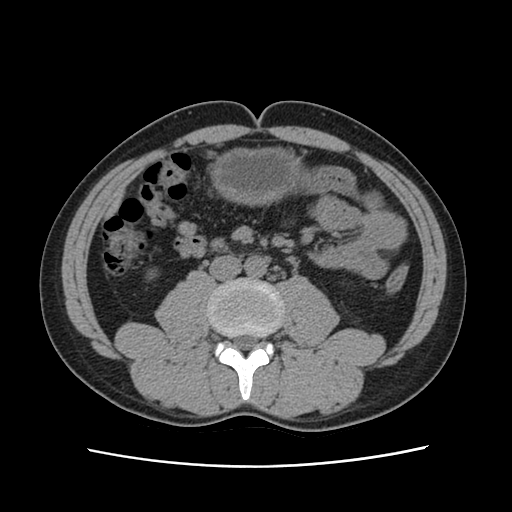
Computed tomography, abdomen. Axial slice 97/167. 512x512 px. SOMATOM Force scanner. 15 organs annotated in this scan (that count is for the whole scan; organs this slice misses have no box)
Box edges are left/top/right/bottom in pixels.
Organ bounding boxes:
- right kidney: left=146, top=269, right=157, bottom=280
- liver: left=106, top=193, right=121, bottom=216
- stomach: left=211, top=148, right=302, bottom=205
- aorta: left=244, top=256, right=266, bottom=277
- inferior vena cava: left=209, top=255, right=241, bottom=280